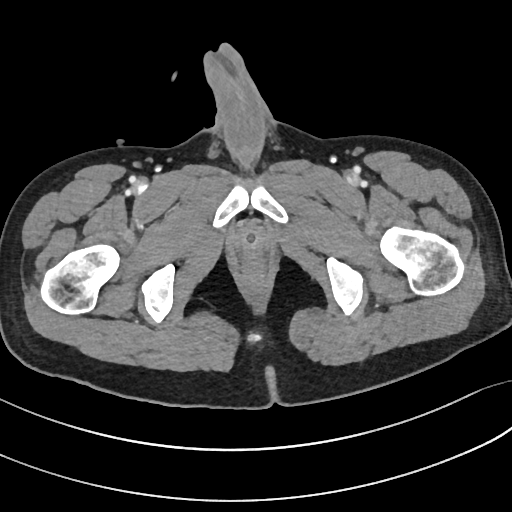

CT, abdomen/pelvis; Axial slice 7/251; 512x512 px
Boxes: x1 y1 x2 y2 (pixel coords, space-separated).
prostate/uterus: 242 230 261 250